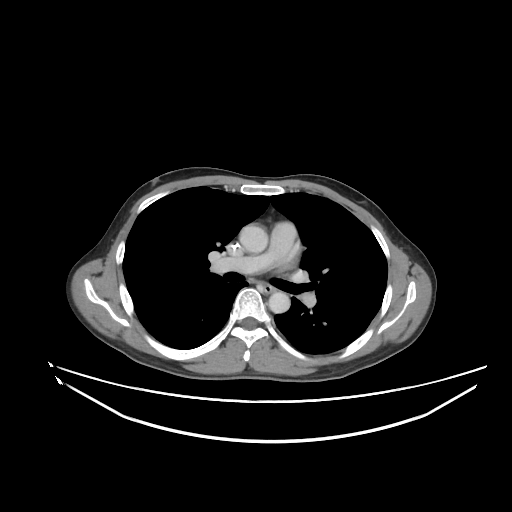
Chest-level slice from an abdominal CT that extends up into the chest. axial view
At this level of the chest this dataset labels only the esophagus and the aorta, and each is boxed only where it is labeled; the heart and lungs are never labeled.
<organs><organ name="esophagus" x1="262" y1="284" x2="275" y2="293"/><organ name="aorta" x1="239" y1="224" x2="268" y2="253"/><organ name="aorta" x1="268" y1="291" x2="290" y2="313"/></organs>